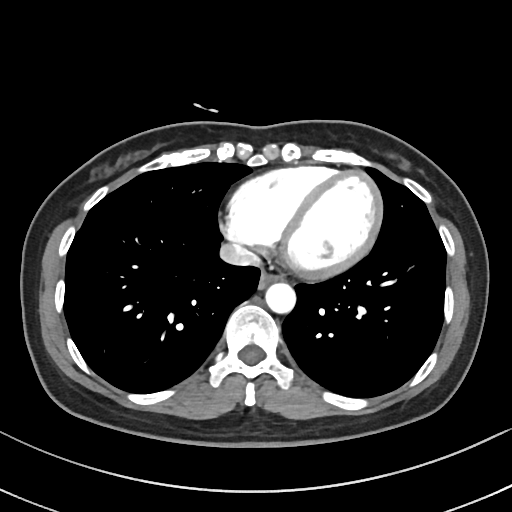

Lower-chest slice from an abdominal CT, just above the liver and spleen · axial view
Of the structures in the chest, this dataset labels only the esophagus, the aorta and the inferior vena cava; the heart and lungs have no label.
Coordinates as <box>x1,y1,x2,y2</box> in pixels.
aorta: <box>265,282,295,312</box>
inferior vena cava: <box>217,243,259,266</box>
esophagus: <box>259,270,283,287</box>